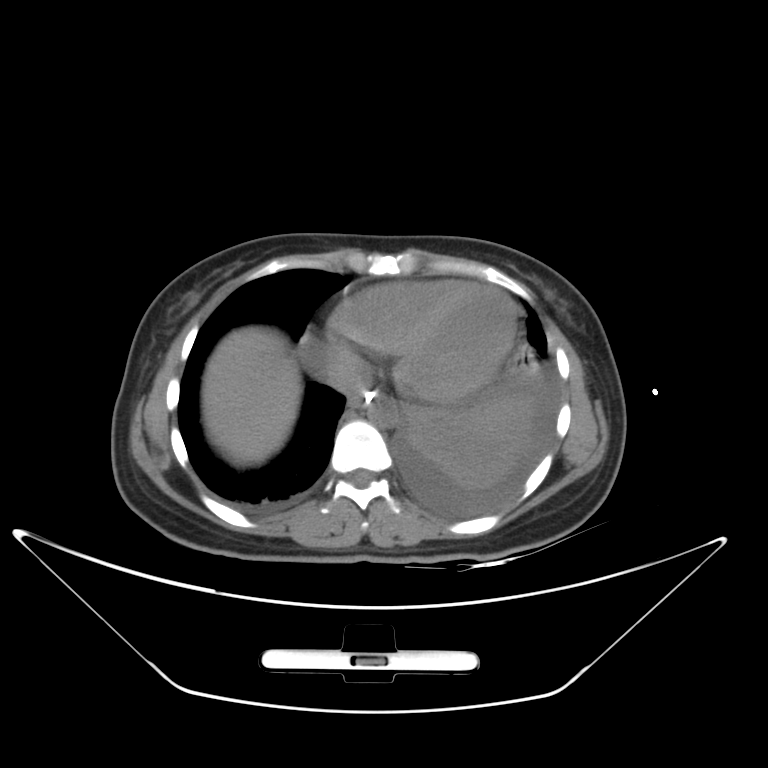
Abdominal CT — axial view — soft-tissue window (W 400 / L 40) — 768x768 px
<organs><organ name="inferior vena cava" x1="326" y1="350" x2="372" y2="393"/><organ name="aorta" x1="366" y1="394" x2="398" y2="428"/><organ name="esophagus" x1="347" y1="390" x2="377" y2="408"/><organ name="liver" x1="202" y1="327" x2="302" y2="465"/><organ name="spleen" x1="470" y1="398" x2="520" y2="435"/></organs>